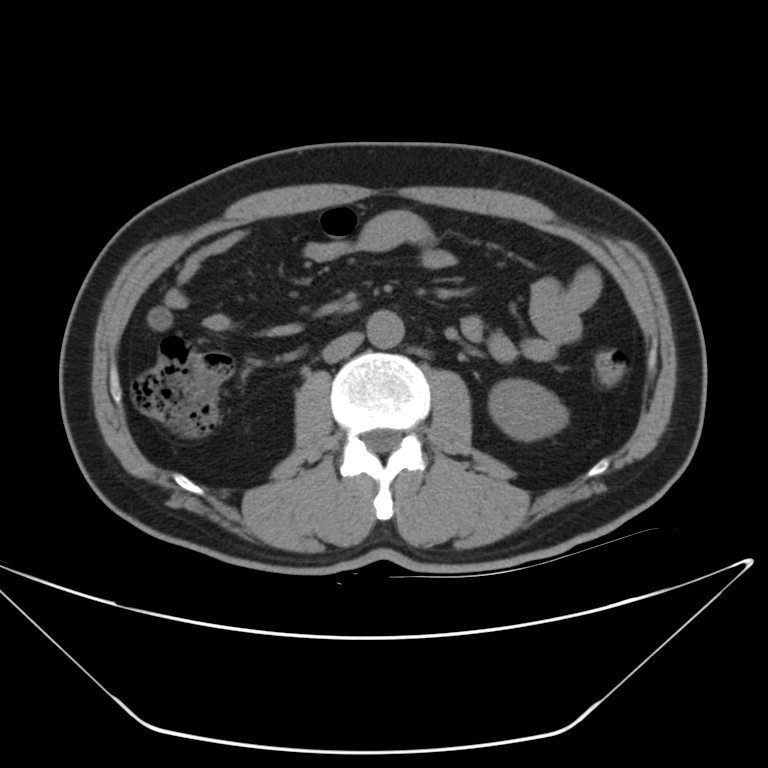

Computed tomography, abdomen — Axial slice 66/112 — 768x768 px
{"organs":{"left kidney":[486,378,567,439],"inferior vena cava":[323,334,362,364],"aorta":[366,308,405,347]}}